CT, abdomen/pelvis — axial view — soft-tissue window (W 400 / L 40) — 15 organs annotated in this scan (a whole-scan count: organs this slice does not pass through have no box)
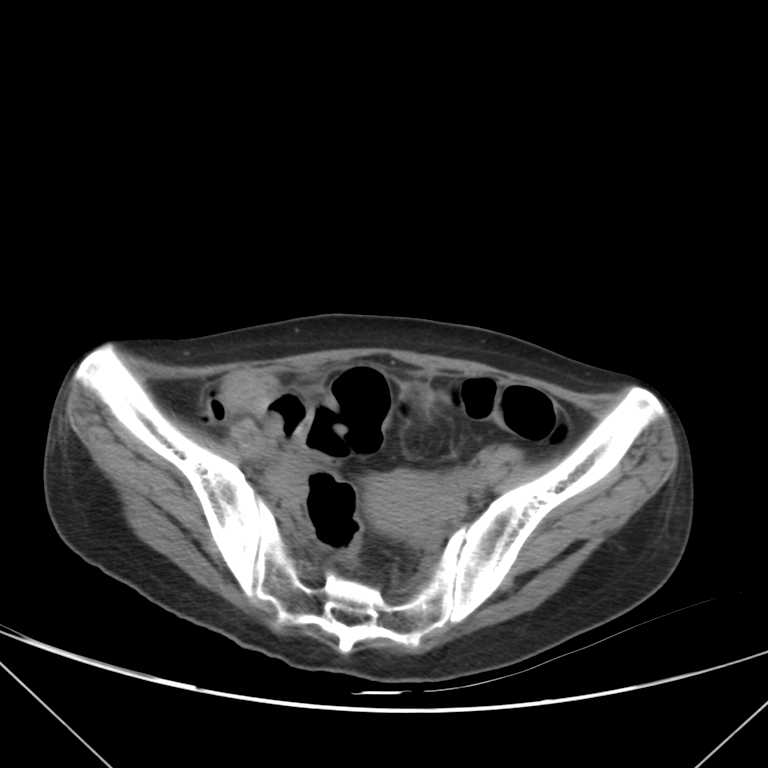 Coordinates as <box>x1,y1,x2,y2</box> in pixels.
prostate/uterus: <box>365,472,446,535</box>